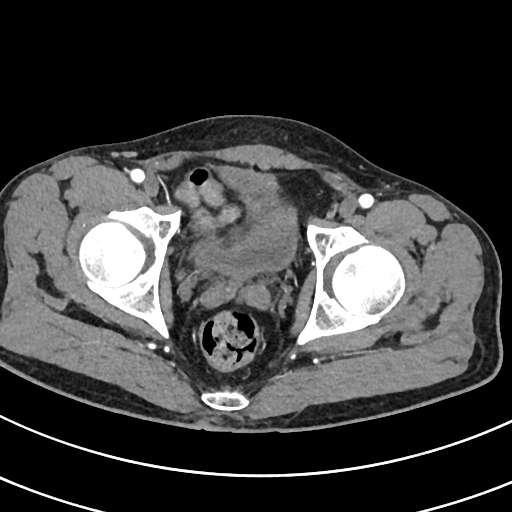

CT, abdomen/pelvis. Axial slice 28/302. abdomen soft-tissue window
{"organs":{"bladder":[197,164,297,278]}}